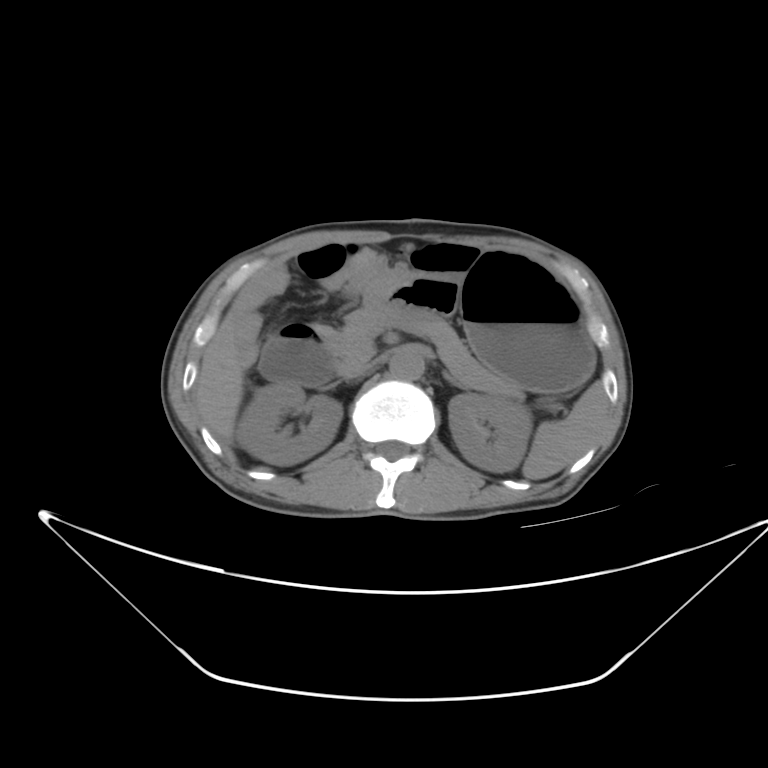 Computed tomography, abdomen; Axial slice 62/96; W/L 400/40 HU
{"organs":{"left adrenal gland":[442,374,468,388],"spleen":[522,380,604,477],"liver":[195,311,244,442],"pancreas":[333,307,527,400],"inferior vena cava":[342,360,378,377],"aorta":[389,355,422,384],"left kidney":[449,391,530,471],"duodenum":[260,320,335,390],"right kidney":[237,385,342,464],"stomach":[364,253,594,392]}}